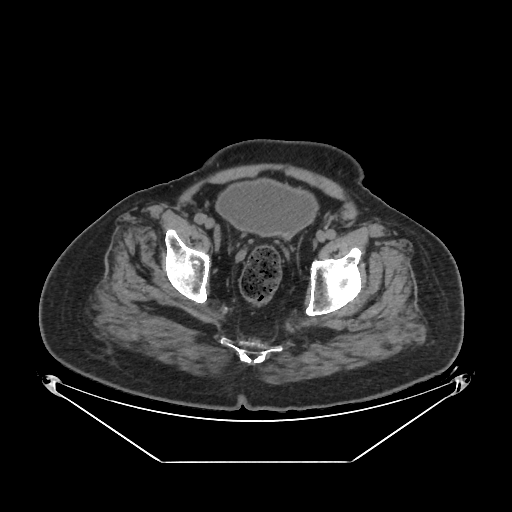

Computed tomography, abdomen — axial view — soft-tissue window — 15 organs annotated in this scan (a whole-scan count: organs this slice does not pass through have no box)
{"organs":{"bladder":[216,179,318,236]}}